CT, abdomen/pelvis; axial view; 71-year-old female patient
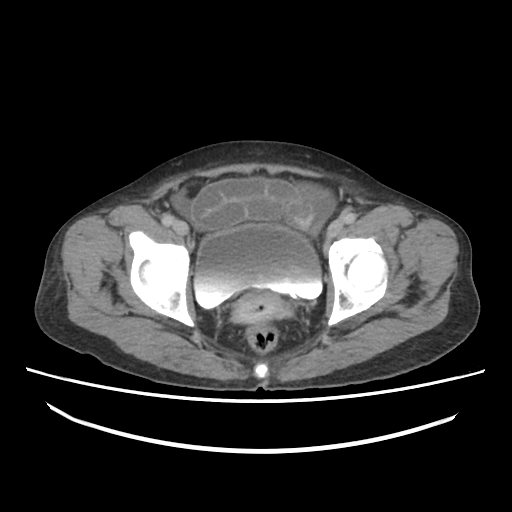
<organs><organ name="bladder" x1="193" y1="224" x2="323" y2="309"/><organ name="prostate/uterus" x1="235" y1="292" x2="283" y2="324"/></organs>